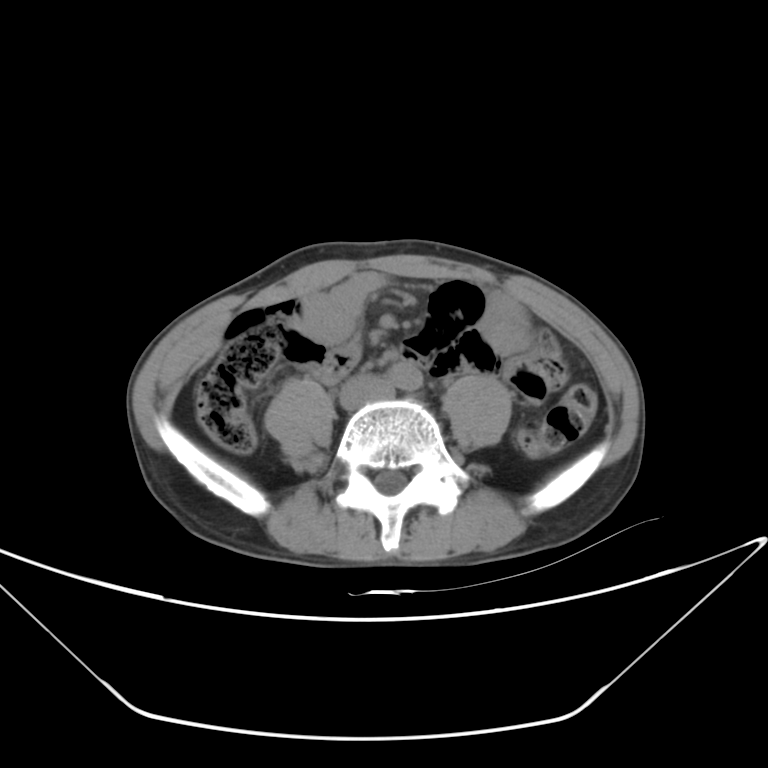

CT abdomen; Axial slice 45/79; 768x768 px; 53-year-old male patient
Boxes are (x1, y1, x2, y2) in pixels. Labeled organs on this slice: aorta at (388, 362, 422, 390), inferior vena cava at (340, 376, 393, 408).